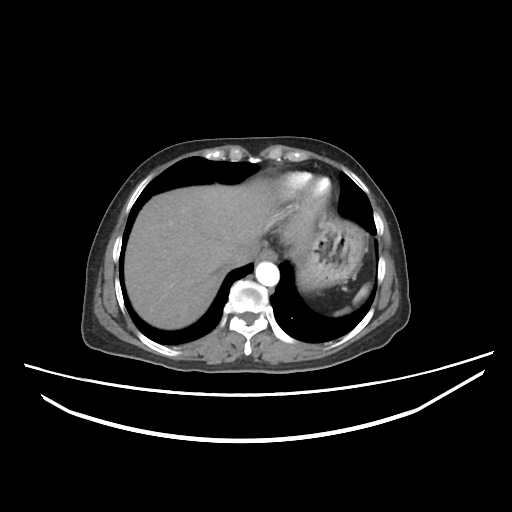 Abdominal CT — axial view — scan has 14 labeled organs (a whole-scan count: organs this slice does not pass through have no box)
{"organs":{"liver":[124,179,278,329],"esophagus":[256,247,276,258],"inferior vena cava":[229,239,258,266],"aorta":[254,261,278,287],"stomach":[290,212,362,290],"spleen":[333,282,369,315]}}